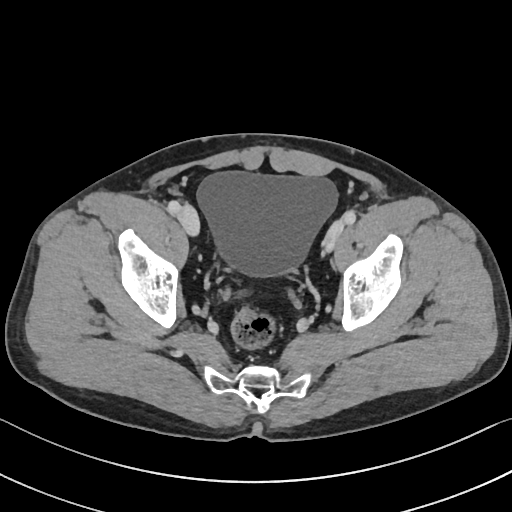 CT, abdomen/pelvis — axial view — soft-tissue window (W 400 / L 40) — 512x512 px — SOMATOM Force scanner
Organ boxes in pixel coordinates; each row gives the top-left (x1, y1) and bottom-right (x2, y2) corners.
| organ | x1 | y1 | x2 | y2 |
|---|---|---|---|---|
| bladder | 197 | 171 | 337 | 276 |